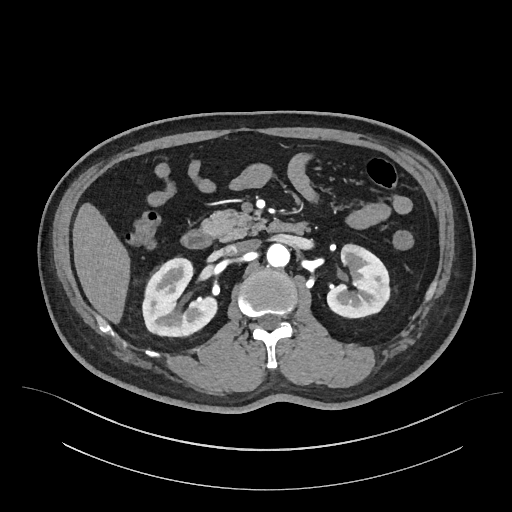
Abdominal CT; axial plane, index 161
Boxes are (x1, y1, x2, y2) in pixels. 7 labeled organs on this slice — right kidney at (142, 258, 216, 336); left kidney at (327, 244, 389, 317); liver at (72, 203, 129, 323); aorta at (266, 243, 289, 267); inferior vena cava at (226, 240, 257, 254); pancreas at (201, 209, 264, 241); duodenum at (181, 220, 306, 248).